CT abdomen — axial view — 30-year-old male patient — 15 organs annotated in this scan (a whole-scan count: organs this slice does not pass through have no box)
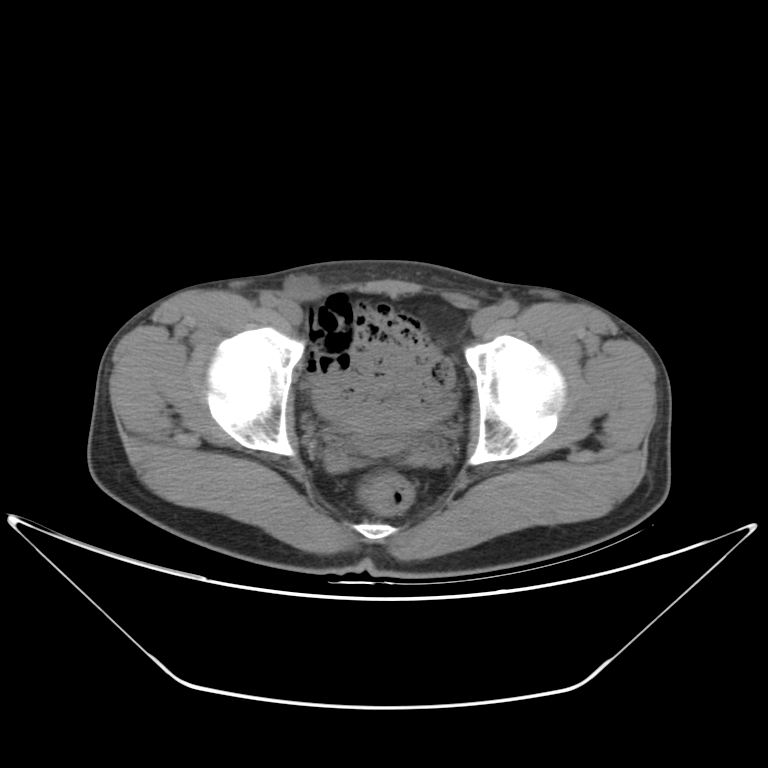
Boxes: x1 y1 x2 y2 (pixel coords, space-separated).
Organ bounding boxes:
- bladder: 317 393 455 434